CT abdomen · axial view · 41-year-old male patient
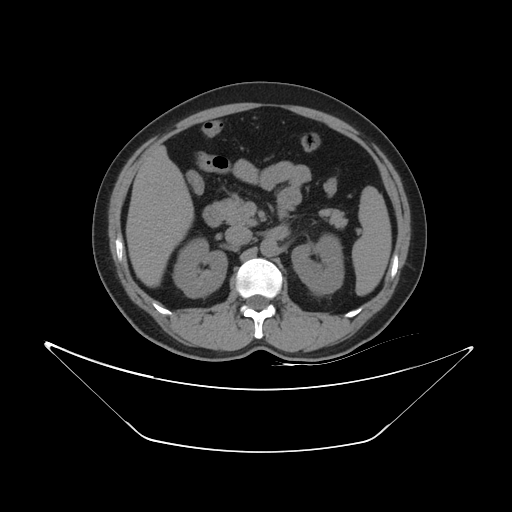

{"organs":{"spleen":[352,186,391,296],"right kidney":[173,237,226,297],"left kidney":[291,234,343,294],"liver":[125,145,194,287],"aorta":[260,239,277,256],"inferior vena cava":[225,225,251,245],"pancreas":[211,197,347,228],"duodenum":[203,206,222,226]}}